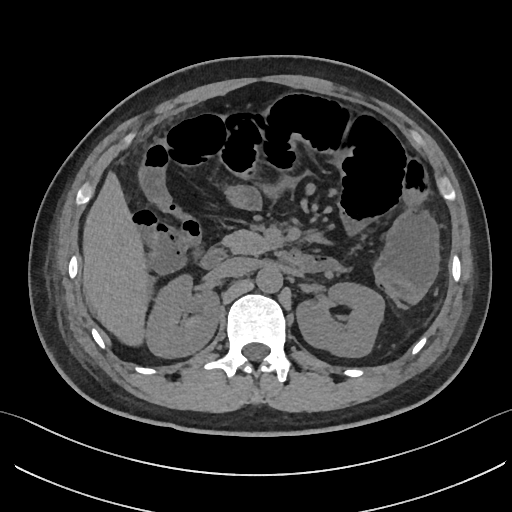 Computed tomography, abdomen. axial plane, index 157. abdomen soft-tissue window. 512x512 px
<organs><organ name="right kidney" x1="146" y1="276" x2="219" y2="357"/><organ name="pancreas" x1="222" y1="230" x2="278" y2="255"/><organ name="inferior vena cava" x1="215" y1="257" x2="254" y2="277"/><organ name="aorta" x1="256" y1="267" x2="282" y2="293"/><organ name="duodenum" x1="199" y1="246" x2="302" y2="269"/><organ name="liver" x1="81" y1="170" x2="149" y2="343"/><organ name="left kidney" x1="296" y1="282" x2="384" y2="357"/></organs>